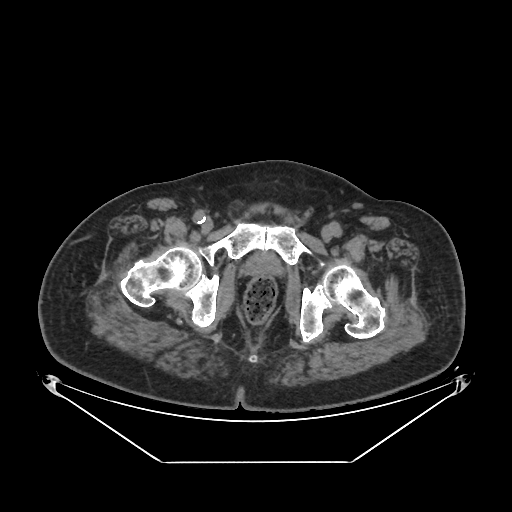 CT, abdomen/pelvis. axial view
{"organs":{"prostate/uterus":[247,252,280,274]}}